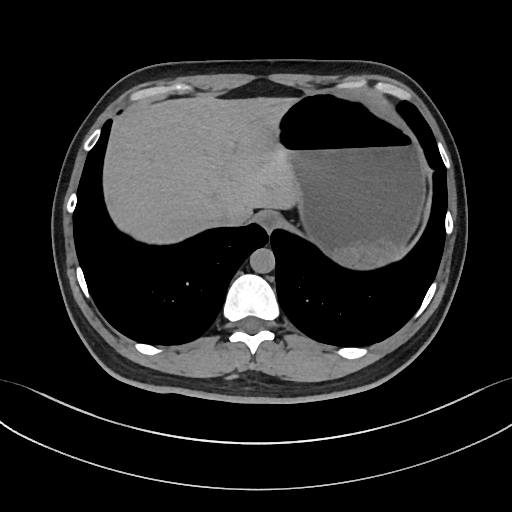

CT, abdomen/pelvis; axial view; soft-tissue window
Boxes are (x1, y1, x2, y2) in pixels.
Organ bounding boxes:
- esophagus: (257, 210, 281, 231)
- liver: (103, 95, 297, 244)
- stomach: (276, 92, 425, 268)
- aorta: (250, 248, 274, 273)
- inferior vena cava: (211, 213, 229, 225)